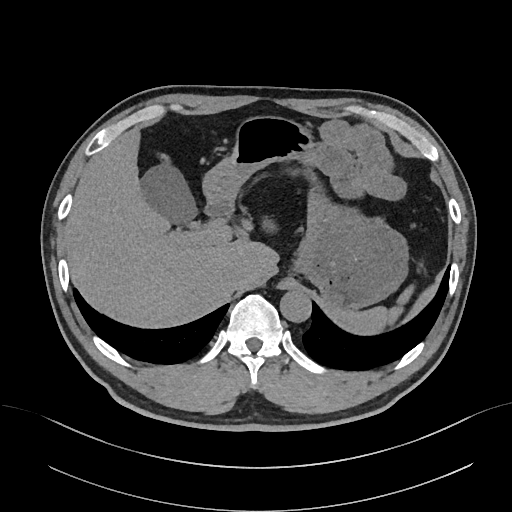 CT abdomen; axial view
{"organs":{"spleen":[332,285,414,335],"gall bladder":[140,163,197,226],"liver":[65,129,278,327],"stomach":[202,116,408,314],"aorta":[280,290,311,322],"inferior vena cava":[225,261,246,282],"duodenum":[205,203,234,217]}}